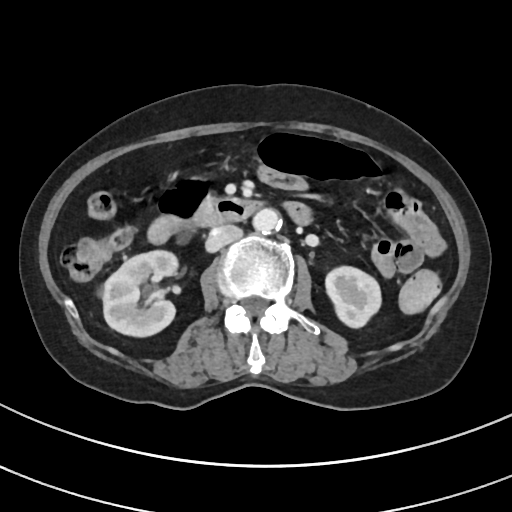 Abdominal CT; axial view; 512x512 px; scan has 15 labeled organs (a whole-scan count: organs this slice does not pass through have no box)
Each box given as x1,y1,x2,y2.
right kidney: x1=103, y1=249, x2=178, y2=336
left kidney: x1=325, y1=266, x2=382, y2=327
aorta: x1=255, y1=207, x2=282, y2=233
inferior vena cava: x1=207, y1=223, x2=243, y2=250
duodenum: x1=148, y1=178, x2=258, y2=242